CT abdomen — axial plane, index 19 — W/L 400/40 HU — 512x512 px — Aquilion ONE scanner
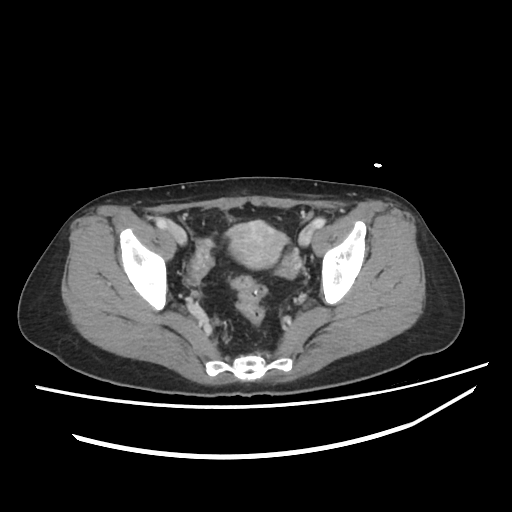

{"organs":{"prostate/uterus":[227,220,287,268]}}